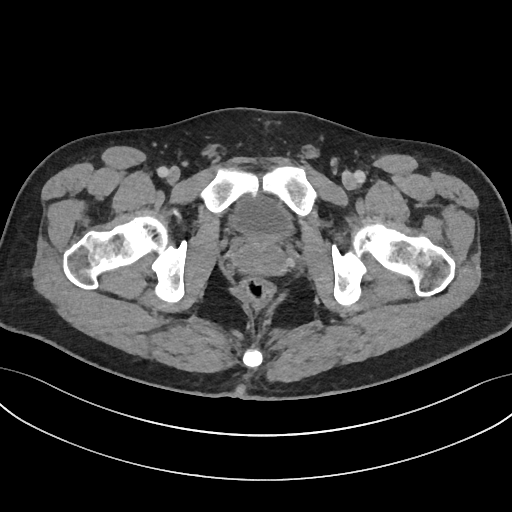
CT abdomen — axial view — 512x512 px — scan has 15 labeled organs (counted over the whole 3D scan, not this slice; an organ is boxed only where this slice passes through it)
<organs><organ name="bladder" x1="231" y1="192" x2="293" y2="241"/><organ name="prostate/uterus" x1="234" y1="237" x2="286" y2="276"/></organs>